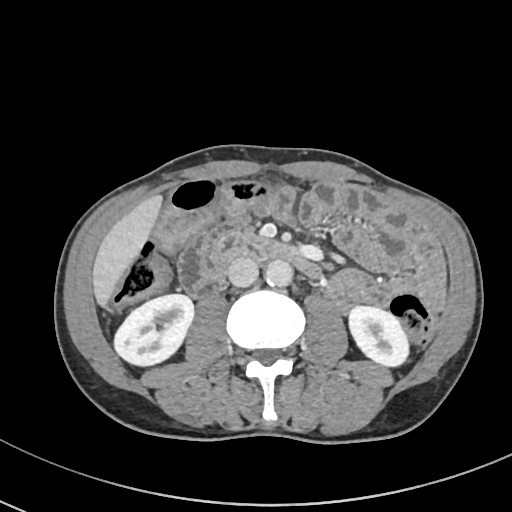 Abdominal CT; axial view; W/L 400/40 HU
{"organs":{"liver":[92,195,162,306],"duodenum":[211,233,321,278],"left kidney":[349,306,408,366],"inferior vena cava":[227,258,258,287],"right kidney":[114,294,194,366],"aorta":[264,260,292,286]}}